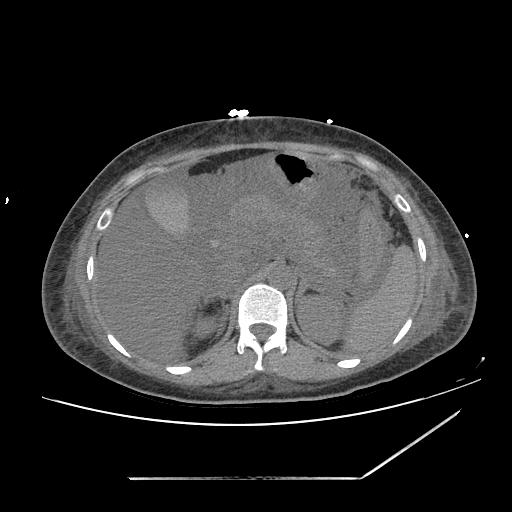 Computed tomography, abdomen · Axial slice 133/191 · soft-tissue window (W 400 / L 40) · 512x512 px · 15 organs annotated in this scan (counted over the whole 3D scan, not this slice; an organ is boxed only where this slice passes through it)
Coordinates as <box>x1,y1,x2,y2</box> in pixels.
spleen: <box>344,244,417,351</box>
left adrenal gland: <box>296,276,327,299</box>
pancreas: <box>229,194,338,302</box>
liver: <box>96,185,203,360</box>
aorta: <box>267,267,293,289</box>
inferior vena cava: <box>215,261,246,294</box>
stomach: <box>267,150,325,202</box>
right adrenal gland: <box>203,294,227,338</box>
left kidney: <box>296,295,344,344</box>
gall bladder: <box>144,175,191,245</box>
right kidney: <box>191,315,218,338</box>